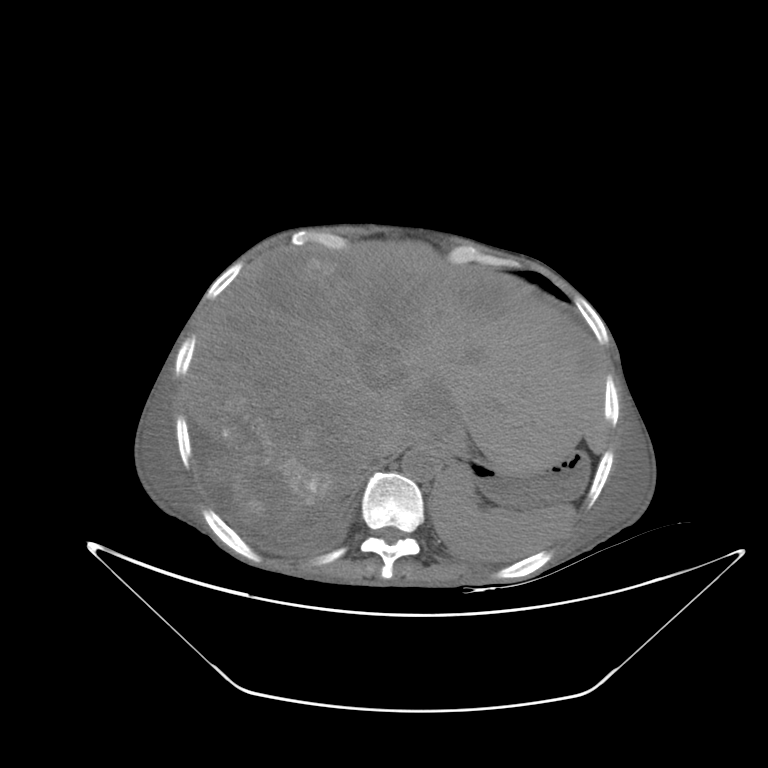
Abdominal CT · axial view · acquired on Brilliance16 · scan has 15 labeled organs (counted over the whole 3D scan, not this slice; an organ is boxed only where this slice passes through it)
Boxes are (x1, y1, x2, y2) in pixels.
liver: (187, 245, 608, 539)
inferior vena cava: (369, 436, 411, 463)
spleen: (429, 469, 576, 561)
stomach: (445, 442, 590, 509)
aorta: (401, 448, 440, 482)